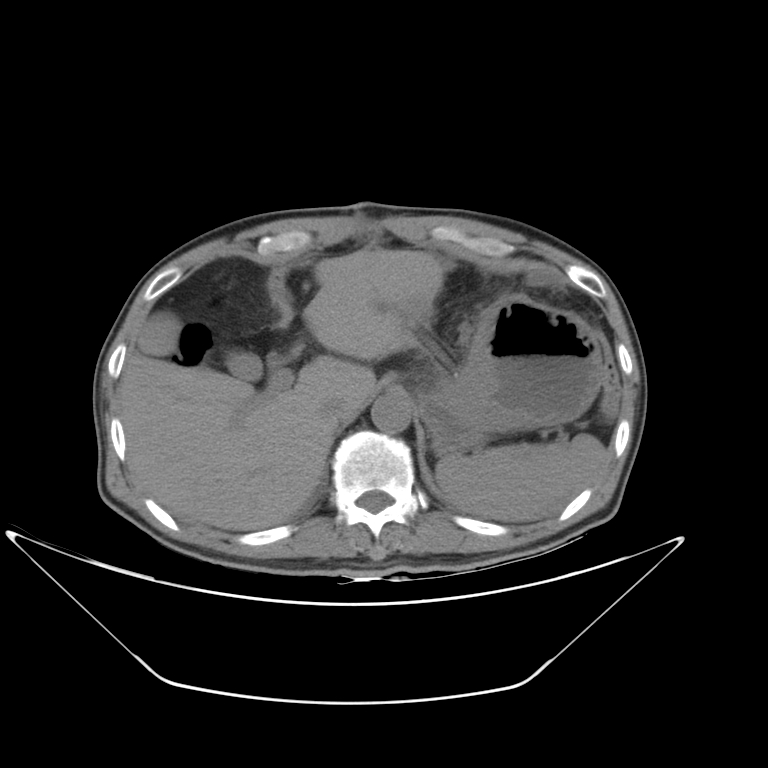

Computed tomography, abdomen · Axial slice 80/104 · 768x768 px
<organs><organ name="spleen" x1="435" y1="434" x2="607" y2="522"/><organ name="inferior vena cava" x1="322" y1="397" x2="349" y2="420"/><organ name="gall bladder" x1="137" y1="312" x2="261" y2="379"/><organ name="stomach" x1="416" y1="295" x2="603" y2="454"/><organ name="aorta" x1="371" y1="393" x2="411" y2="433"/><organ name="liver" x1="118" y1="249" x2="443" y2="530"/></organs>